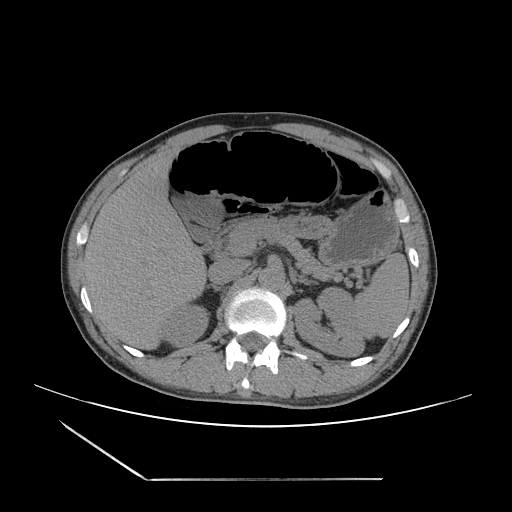
CT, abdomen/pelvis · axial view · soft-tissue window · 512x512 px · 15 organs annotated in this scan (counted over the whole 3D scan, not this slice; an organ is boxed only where this slice passes through it)
<organs><organ name="left adrenal gland" x1="298" y1="277" x2="309" y2="283"/><organ name="liver" x1="84" y1="153" x2="205" y2="348"/><organ name="aorta" x1="258" y1="267" x2="283" y2="290"/><organ name="spleen" x1="355" y1="253" x2="409" y2="338"/><organ name="right kidney" x1="158" y1="303" x2="209" y2="346"/><organ name="left kidney" x1="295" y1="286" x2="365" y2="357"/><organ name="duodenum" x1="202" y1="229" x2="226" y2="253"/><organ name="inferior vena cava" x1="208" y1="259" x2="248" y2="284"/><organ name="gall bladder" x1="174" y1="198" x2="219" y2="241"/><organ name="stomach" x1="282" y1="192" x2="398" y2="267"/><organ name="pancreas" x1="224" y1="216" x2="344" y2="281"/></organs>